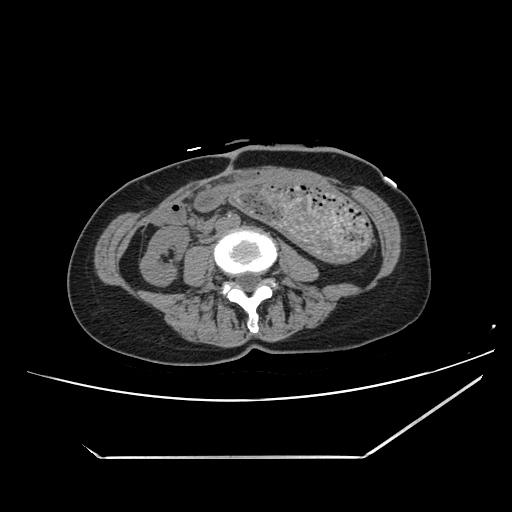 CT abdomen. Axial slice 73/143
Each box given as x1,y1,x2,y2.
Organ bounding boxes:
- right kidney: x1=140, y1=226, x2=187, y2=285
- stomach: x1=229, y1=180, x2=373, y2=262
- inferior vena cava: x1=206, y1=236, x2=215, y2=241